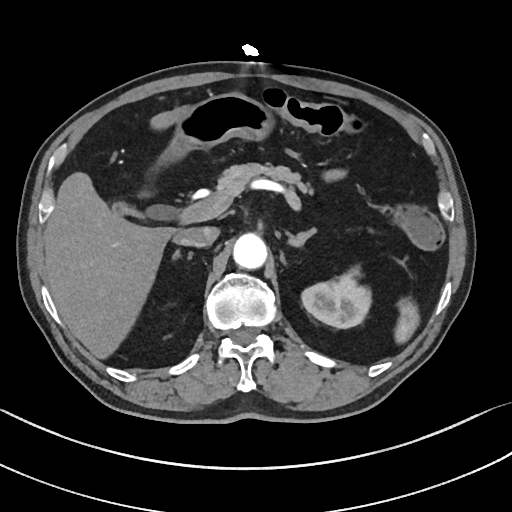 Computed tomography, abdomen. axial view. 512x512 px
One row per box, in pixels: columns x1 and y1 give the top-left corner, x2 and y2 the bottom-right.
| organ | x1 | y1 | x2 | y2 |
|---|---|---|---|---|
| spleen | 396 | 302 | 416 | 341 |
| left kidney | 301 | 267 | 369 | 328 |
| gall bladder | 113 | 203 | 163 | 219 |
| liver | 45 | 112 | 177 | 357 |
| stomach | 157 | 93 | 270 | 161 |
| aorta | 233 | 232 | 266 | 268 |
| inferior vena cava | 173 | 226 | 219 | 246 |
| pancreas | 209 | 162 | 306 | 205 |
| left adrenal gland | 290 | 228 | 316 | 246 |